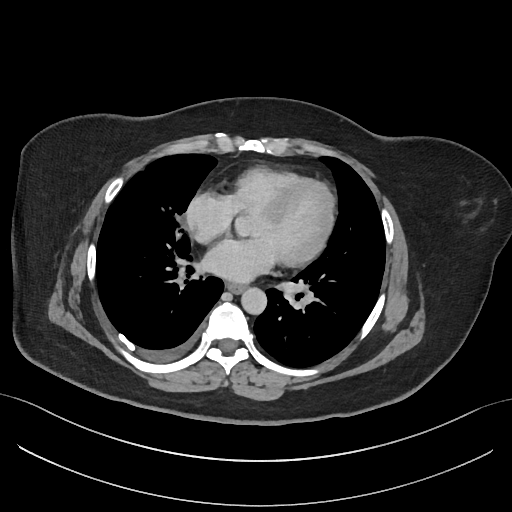 Lower-chest slice from an abdominal CT, just above the liver and spleen. axial view. 15 organs annotated in this scan (that count is for the whole scan; organs this slice misses have no box)
Of the structures in the chest, this dataset labels only the esophagus, the aorta and the inferior vena cava; the heart and lungs have no label. Each box given as x1,y1,x2,y2. Labeled organs on this slice: esophagus at x1=226, y1=283, x2=245, y2=293, aorta at x1=241, y1=288, x2=267, y2=315.